CT abdomen · axial view · abdomen soft-tissue window · SOMATOM Force scanner
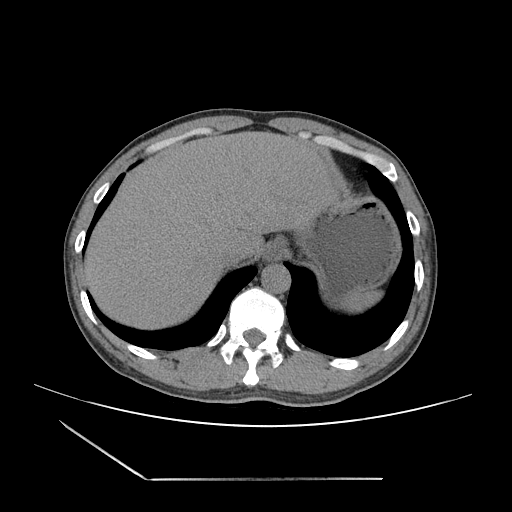 Each box given as x1,y1,x2,y2.
Organ bounding boxes:
- spleen: x1=340, y1=290, x2=379, y2=312
- esophagus: x1=266, y1=239, x2=286, y2=259
- liver: x1=85, y1=130, x2=338, y2=326
- stomach: x1=276, y1=193, x2=400, y2=298
- aorta: x1=261, y1=263, x2=290, y2=293
- inferior vena cava: x1=218, y1=244, x2=243, y2=268